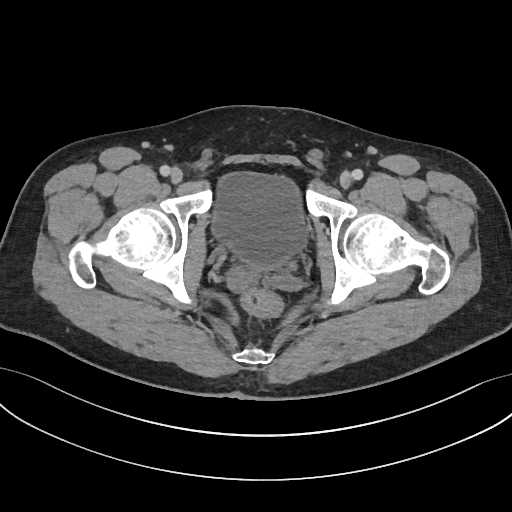 CT abdomen; axial view; soft-tissue window
<organs><organ name="bladder" x1="213" y1="173" x2="306" y2="272"/></organs>